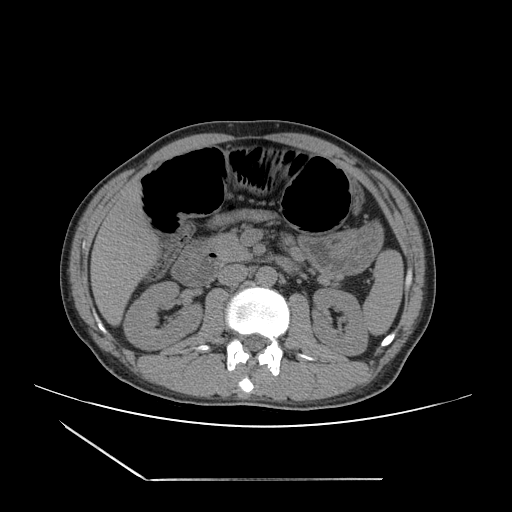
Computed tomography, abdomen; axial view; SOMATOM Force scanner; scan has 15 labeled organs (counted over the whole 3D scan, not this slice; an organ is boxed only where this slice passes through it)
Boxes: x1 y1 x2 y2 (pixel coords, space-separated).
spleen: 363 249 402 334
right kidney: 123 281 200 349
left kidney: 311 288 367 354
liver: 91 183 154 323
stomach: 299 225 381 275
aorta: 256 266 276 286
inferior vena cava: 218 265 247 286
pancreas: 207 235 250 263
duodenum: 170 247 221 286